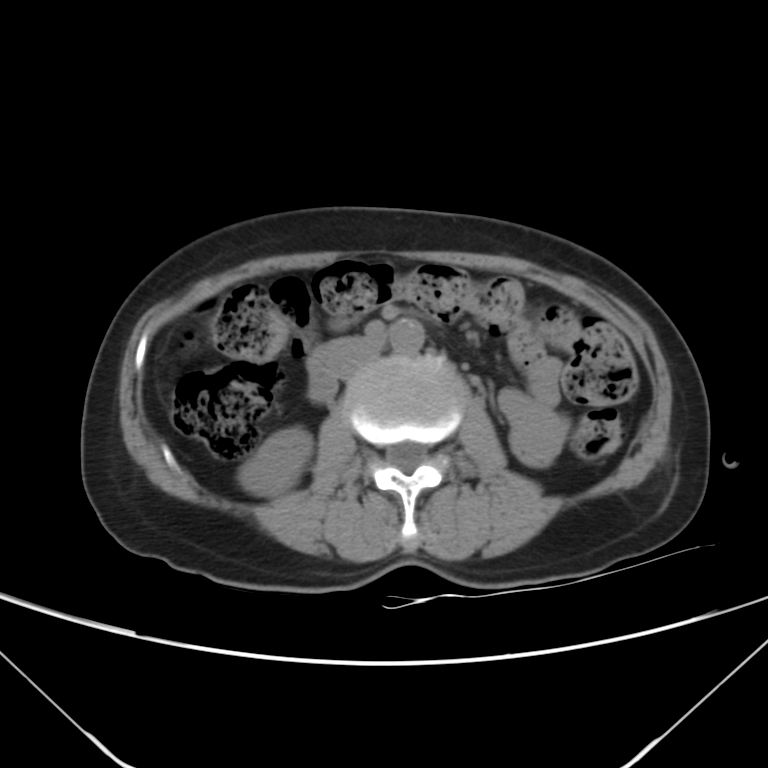 Abdominal CT; axial view; soft-tissue window (W 400 / L 40); 768x768 px
Boxes: x1:y1:x2:y2 in pixels.
Organ bounding boxes:
- right kidney: 237:428:311:495
- aorta: 389:319:425:353
- inferior vena cava: 337:343:381:380
- duodenum: 307:335:381:402